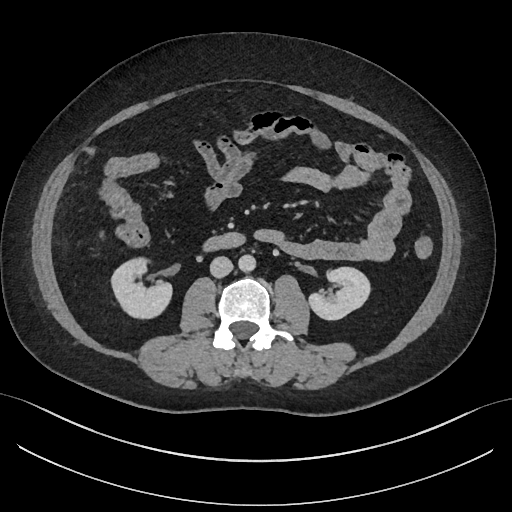
CT, abdomen/pelvis; Axial slice 126/305
Each box given as x1,y1,x2,y2.
right kidney: x1=112, y1=257, x2=172, y2=320
left kidney: x1=308, y1=267, x2=371, y2=320
aorta: x1=237, y1=254, x2=255, y2=272
inferior vena cava: x1=210, y1=256, x2=232, y2=277
duodenum: x1=202, y1=233, x2=244, y2=252